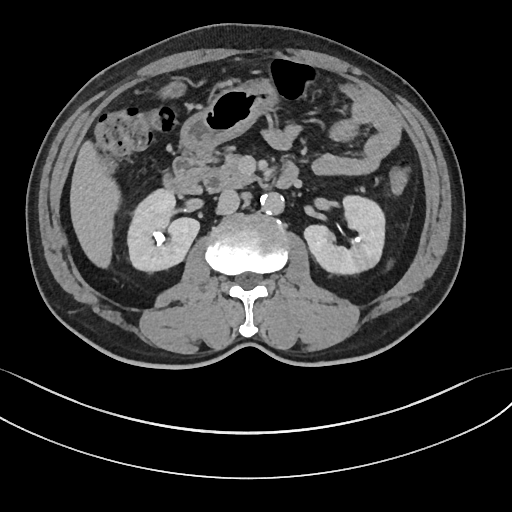
CT abdomen — axial view — abdomen soft-tissue window — acquired on SOMATOM Force
Boxes are (x1, y1, x2, y2) in pixels.
Organ bounding boxes:
- right kidney: (128, 191, 199, 273)
- left kidney: (303, 196, 383, 275)
- gall bladder: (157, 80, 187, 99)
- liver: (70, 138, 120, 269)
- stomach: (180, 77, 276, 156)
- aorta: (260, 193, 284, 216)
- inferior vena cava: (217, 189, 239, 214)
- pancreas: (204, 149, 256, 192)
- duodenum: (163, 151, 297, 197)